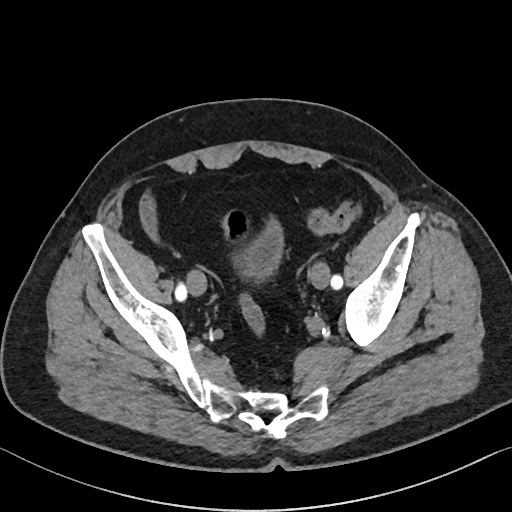 Abdominal CT — axial view — soft-tissue window (W 400 / L 40)
Bounding boxes as [x1, y1, x2, y2] in pixel coordinates.
Organ bounding boxes:
- bladder: [244, 221, 282, 277]